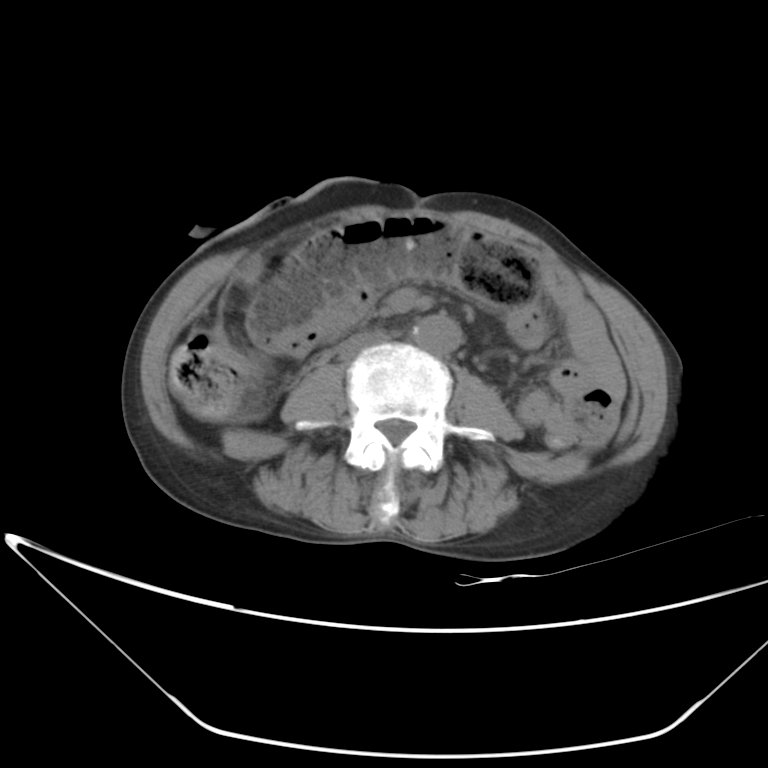 Computed tomography, abdomen; axial view; W/L 400/40 HU
Boxes: x1:y1:x2:y2 in pixels.
Organ bounding boxes:
- aorta: 412:315:462:355
- inferior vena cava: 338:331:389:361